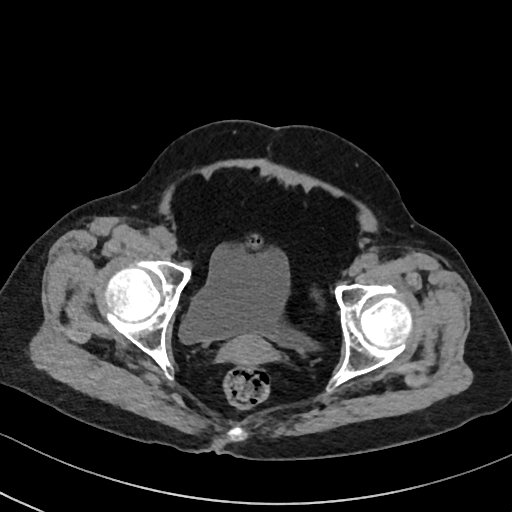 Abdominal CT; axial plane, index 42; SOMATOM Force scanner
{"organs":{"prostate/uterus":[218,334,272,366],"bladder":[180,248,310,347]}}